CT abdomen. axial plane, index 66. abdomen soft-tissue window. acquired on Aquilion ONE. 14 organs annotated in this scan (a whole-scan count: organs this slice does not pass through have no box)
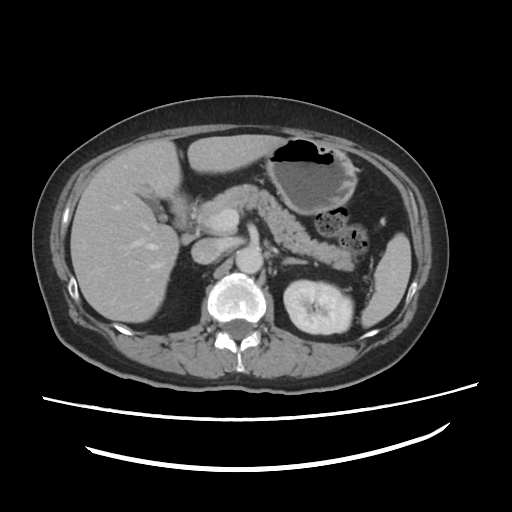 <organs><organ name="inferior vena cava" x1="191" y1="238" x2="221" y2="264"/><organ name="duodenum" x1="170" y1="194" x2="192" y2="231"/><organ name="liver" x1="71" y1="135" x2="286" y2="322"/><organ name="stomach" x1="266" y1="137" x2="357" y2="214"/><organ name="spleen" x1="360" y1="232" x2="411" y2="327"/><organ name="pancreas" x1="195" y1="184" x2="353" y2="270"/><organ name="left kidney" x1="283" y1="280" x2="353" y2="333"/><organ name="gall bladder" x1="147" y1="196" x2="168" y2="223"/><organ name="left adrenal gland" x1="282" y1="257" x2="307" y2="264"/><organ name="aorta" x1="235" y1="248" x2="263" y2="274"/></organs>